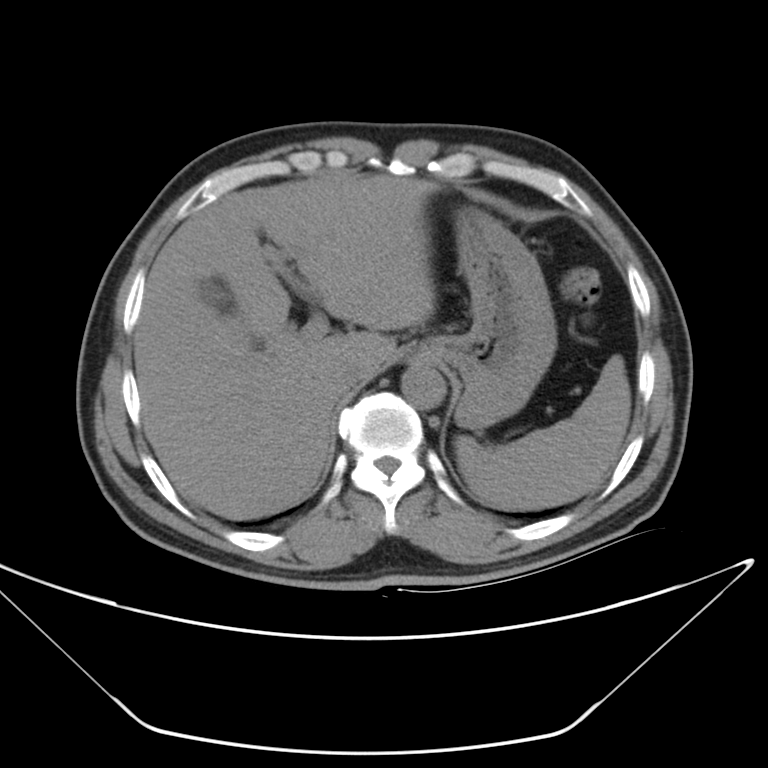
Abdominal CT · Axial slice 93/112 · 768x768 px · 15 organs annotated in this scan (a whole-scan count: organs this slice does not pass through have no box)
Box edges are left/top/right/bottom in pixels.
spleen: left=457, top=354, right=632, bottom=509
gall bladder: left=201, top=283, right=234, bottom=313
liver: left=133, top=174, right=439, bottom=520
stomach: left=423, top=206, right=556, bottom=432
aorta: left=400, top=365, right=445, bottom=410
inferior vena cava: left=335, top=363, right=377, bottom=387